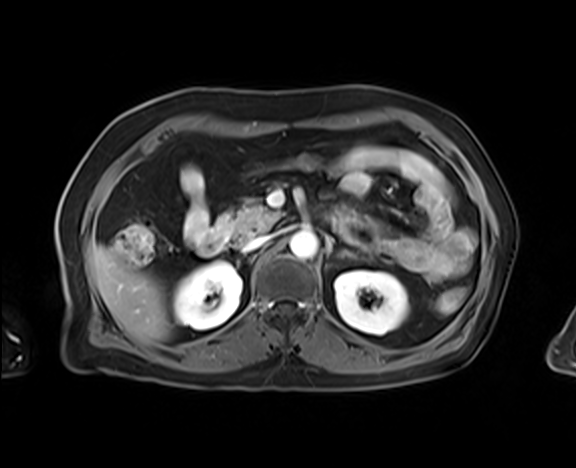

MRI, abdomen — axial view — 576x468 px — acquired on Prisma — 13 organs annotated in this scan (that count is for the whole scan; organs this slice misses have no box)
Each box given as x1,y1,x2,y2.
right kidney: x1=174, y1=262, x2=242, y2=329
left kidney: x1=334, y1=271, x2=408, y2=334
liver: x1=91, y1=245, x2=170, y2=342
aorta: x1=289, y1=231, x2=318, y2=259
inferior vena cava: x1=243, y1=235, x2=271, y2=251
pancreas: x1=230, y1=204, x2=278, y2=240
left adrenal gland: x1=337, y1=250, x2=356, y2=259
duodenum: x1=197, y1=212, x2=232, y2=256